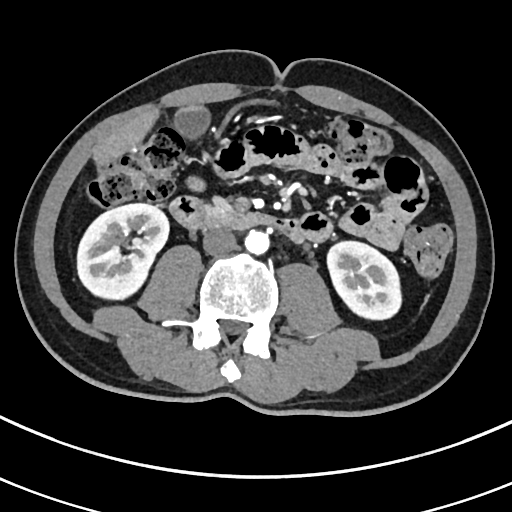
Computed tomography, abdomen · Axial slice 114/302 · SOMATOM Force scanner · scan has 15 labeled organs (that count is for the whole scan; organs this slice misses have no box)
Each box given as x1,y1,x2,y2.
Organ bounding boxes:
- right kidney: x1=77, y1=203, x2=168, y2=299
- aorta: x1=244, y1=229, x2=269, y2=254
- inferior vena cava: x1=202, y1=228, x2=236, y2=255
- liver: x1=93, y1=107, x2=159, y2=166
- gall bladder: x1=174, y1=105, x2=210, y2=139
- left kidney: x1=327, y1=241, x2=401, y2=319
- duodenum: x1=169, y1=196, x2=304, y2=241
- pancreas: x1=207, y1=197, x2=235, y2=217